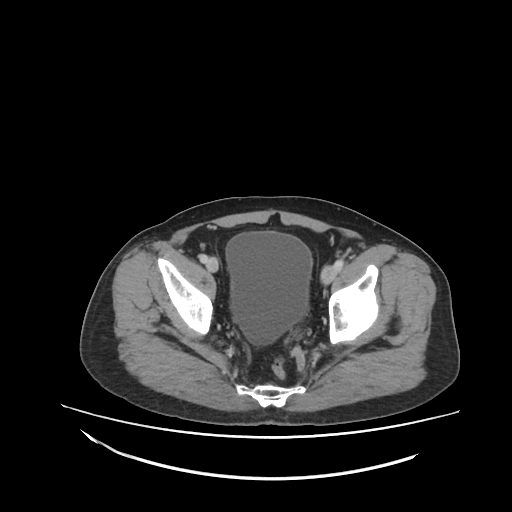
CT abdomen; axial view; 66-year-old male patient
{"organs":{"bladder":[224,232,312,342]}}